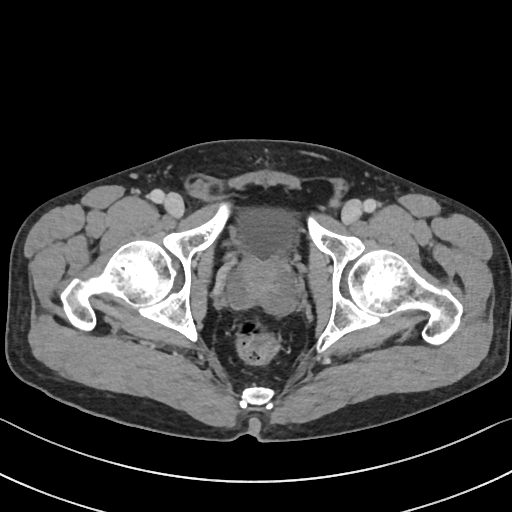

CT, abdomen/pelvis. axial view. SOMATOM Force scanner. 15 organs annotated in this scan (counted over the whole 3D scan, not this slice; an organ is boxed only where this slice passes through it)
Coordinates as <box>x1,y1,x2,y2</box> in pixels.
prostate/uterus: <box>230,258,292,309</box>
bladder: <box>231,207,298,259</box>